CT, abdomen/pelvis. axial plane, index 187
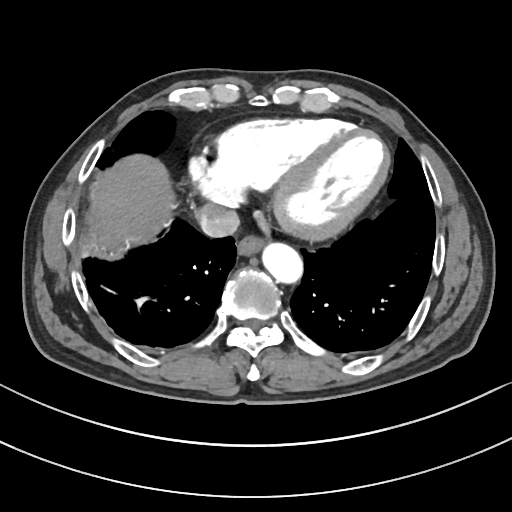
{"organs":{"liver":[96,157,171,240],"aorta":[264,245,304,285],"esophagus":[237,238,264,257],"inferior vena cava":[200,205,241,237]}}